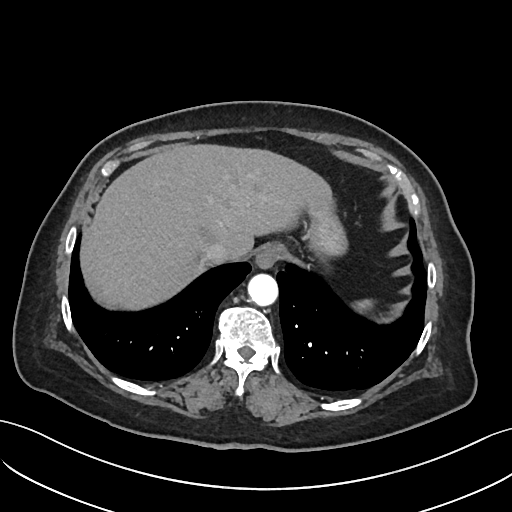 Abdominal CT — Axial slice 168/276 — 512x512 px
Boxes are (x1, y1, x2, y2) in pixels.
Organ bounding boxes:
- spleen: (355, 300, 371, 309)
- esophagus: (256, 243, 287, 267)
- liver: (78, 143, 332, 310)
- stomach: (305, 198, 345, 254)
- aorta: (247, 273, 277, 305)
- inferior vena cava: (204, 242, 232, 264)